CT abdomen · axial plane, index 39 · W/L 400/40 HU · 512x512 px
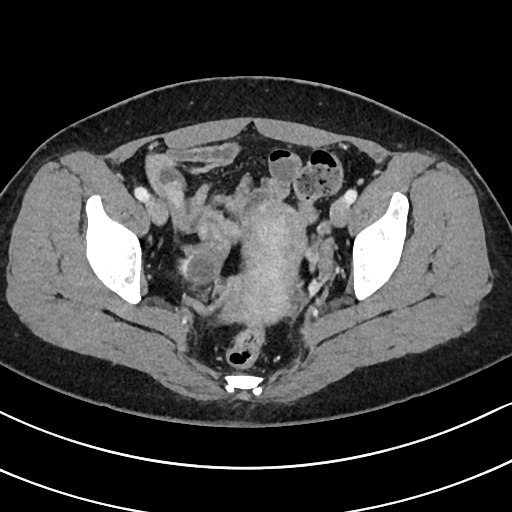 Each box given as x1,y1,x2,y2.
Organ bounding boxes:
- prostate/uterus: x1=222, y1=199, x2=307, y2=326